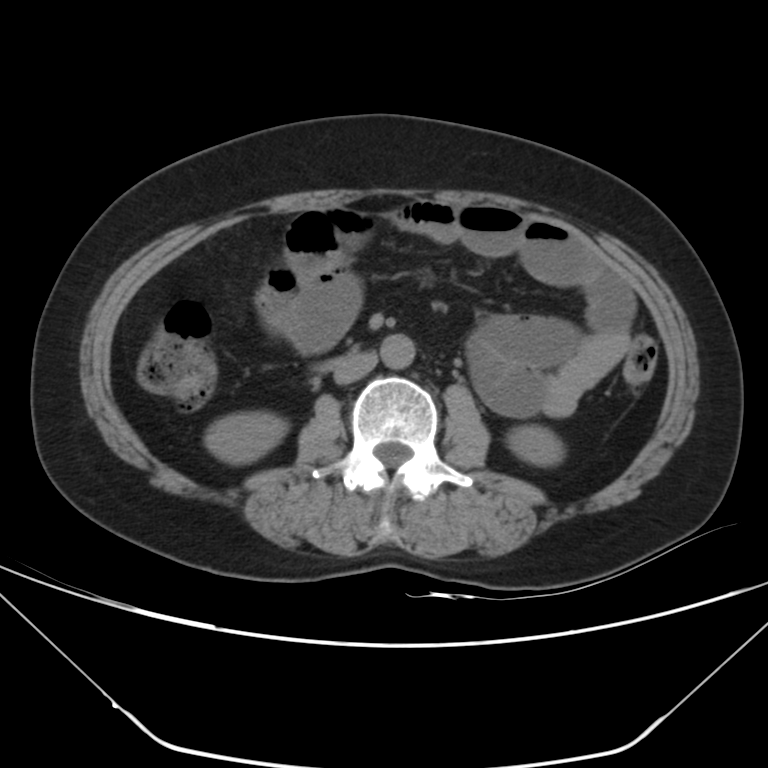
Abdominal CT — axial plane, index 45 — abdomen soft-tissue window — 768x768 px — acquired on Brilliance16
<organs><organ name="right kidney" x1="204" y1="411" x2="287" y2="464"/><organ name="left kidney" x1="507" y1="426" x2="563" y2="466"/><organ name="aorta" x1="380" y1="334" x2="415" y2="369"/><organ name="inferior vena cava" x1="334" y1="352" x2="377" y2="384"/><organ name="duodenum" x1="321" y1="350" x2="356" y2="368"/></organs>